Computed tomography, abdomen. axial view
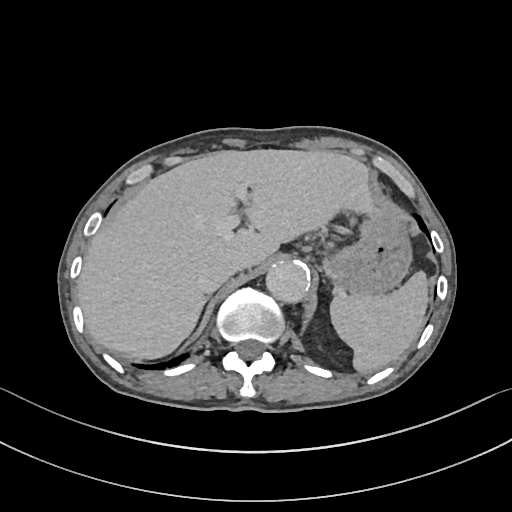 <organs><organ name="spleen" x1="330" y1="269" x2="428" y2="373"/><organ name="aorta" x1="265" y1="260" x2="309" y2="301"/><organ name="inferior vena cava" x1="199" y1="256" x2="237" y2="292"/><organ name="right adrenal gland" x1="203" y1="295" x2="210" y2="306"/><organ name="stomach" x1="324" y1="212" x2="412" y2="292"/><organ name="liver" x1="77" y1="149" x2="381" y2="359"/></organs>